CT, abdomen/pelvis — axial plane, index 21 — abdomen soft-tissue window — 15 organs annotated in this scan (counted over the whole 3D scan, not this slice; an organ is boxed only where this slice passes through it)
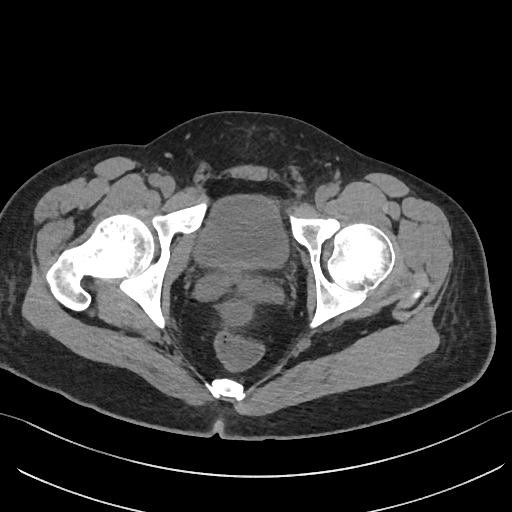 Box edges are left/top/right/bottom in pixels.
Organ bounding boxes:
- bladder: left=197, top=195, right=288, bottom=268